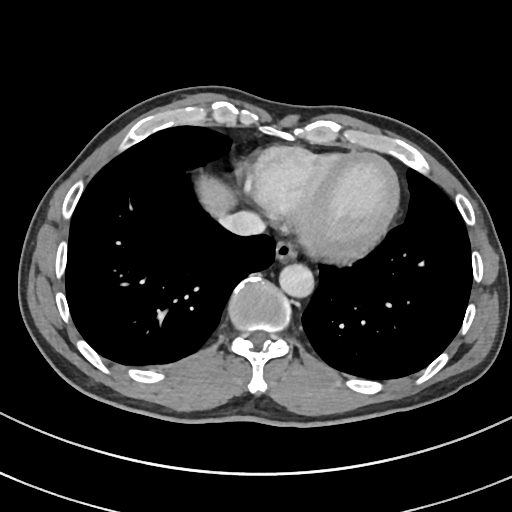 Abdominal CT · Axial slice 177/298 · 512x512 px
Boxes: x1 y1 x2 y2 (pixel coords, space-separated). 4 labeled organs on this slice — aorta at 279 264 314 297; esophagus at 274 240 296 262; inferior vena cava at 219 211 265 236; liver at 198 177 234 217.